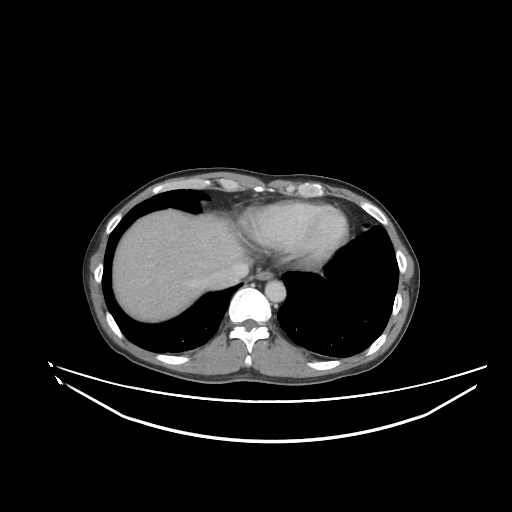

Abdominal CT; Axial slice 86/132; 512x512 px; 47-year-old male patient
<organs><organ name="esophagus" x1="255" y1="270" x2="273" y2="280"/><organ name="liver" x1="113" y1="209" x2="245" y2="322"/><organ name="aorta" x1="265" y1="280" x2="286" y2="302"/><organ name="inferior vena cava" x1="204" y1="262" x2="249" y2="289"/></organs>